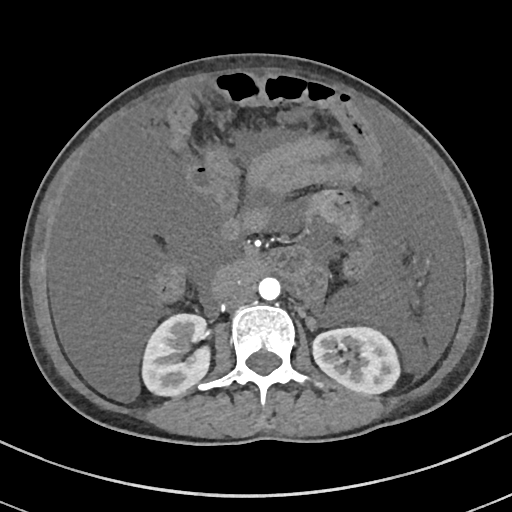 Abdominal CT; Axial slice 136/237; soft-tissue window (W 400 / L 40); 512x512 px; scan has 15 labeled organs (that count is for the whole scan; organs this slice misses have no box)
<organs><organ name="right kidney" x1="142" y1="313" x2="209" y2="396"/><organ name="left kidney" x1="312" y1="327" x2="399" y2="394"/><organ name="aorta" x1="258" y1="277" x2="280" y2="300"/><organ name="inferior vena cava" x1="223" y1="284" x2="254" y2="308"/><organ name="duodenum" x1="212" y1="258" x2="268" y2="296"/></organs>